Computed tomography, abdomen — axial plane, index 23 — abdomen soft-tissue window — 512x512 px
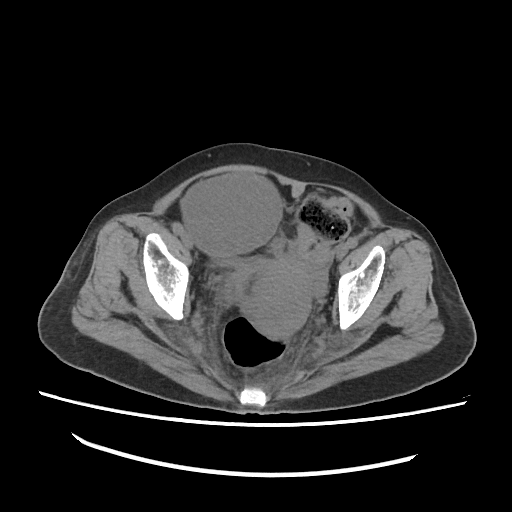
Each box given as x1,y1,x2,y2. The annotated organs in this slice are: prostate/uterus at x1=252, y1=261, x2=313, y2=338.